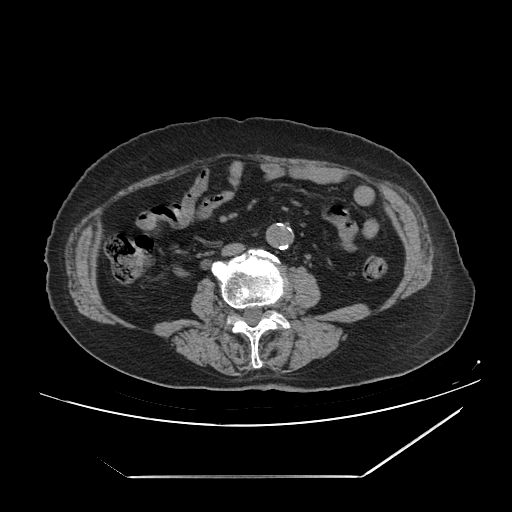 Computed tomography, abdomen; axial view; 512x512 px
{"organs":{"aorta":[266,223,293,249],"inferior vena cava":[221,243,244,256]}}